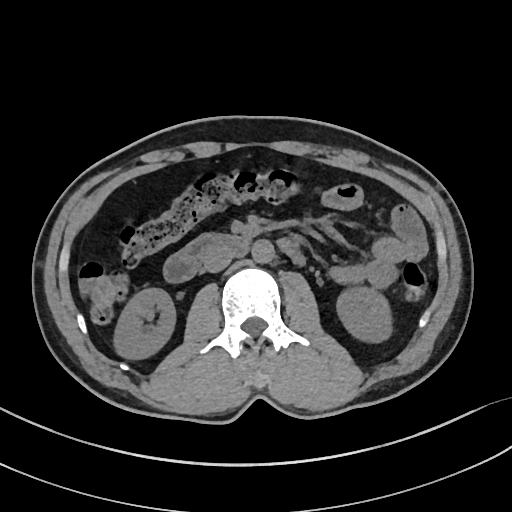
Computed tomography, abdomen · Axial slice 145/228
Boxes are (x1, y1, x2, y2) in pixels.
Organ bounding boxes:
- left kidney: (336, 287, 391, 342)
- duodenum: (163, 233, 304, 282)
- right kidney: (113, 288, 175, 359)
- aorta: (251, 239, 274, 263)
- inferior vena cava: (203, 248, 234, 272)